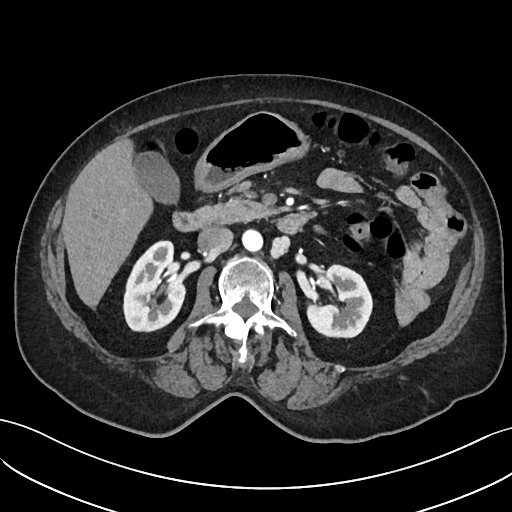

CT, abdomen/pelvis · axial plane, index 123 · abdomen soft-tissue window · 512x512 px
{"organs":{"right kidney":[124,241,185,332],"left kidney":[305,265,372,338],"gall bladder":[135,152,181,205],"liver":[62,138,153,307],"stomach":[192,112,306,194],"aorta":[242,231,263,252],"inferior vena cava":[197,226,233,255],"pancreas":[196,180,272,224],"duodenum":[172,212,311,234]}}